CT, abdomen/pelvis. axial view. 15 organs annotated in this scan (a whole-scan count: organs this slice does not pass through have no box)
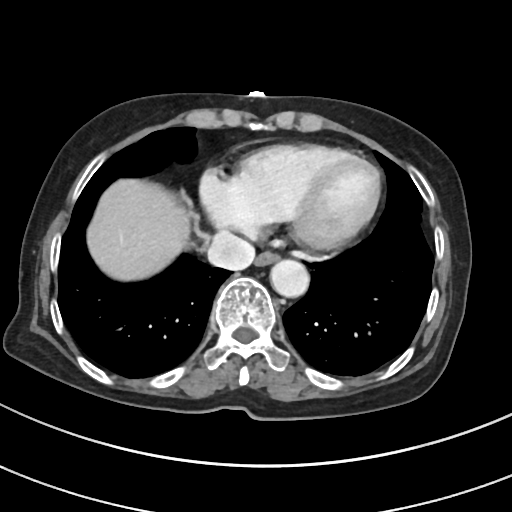 Coordinates as <box>x1,y1,x2,y2</box> in pixels.
Organ bounding boxes:
- esophagus: <box>256,250,279,264</box>
- liver: <box>87,178,189,280</box>
- aorta: <box>270,259,308,296</box>
- inferior vena cava: <box>208,234,255,270</box>